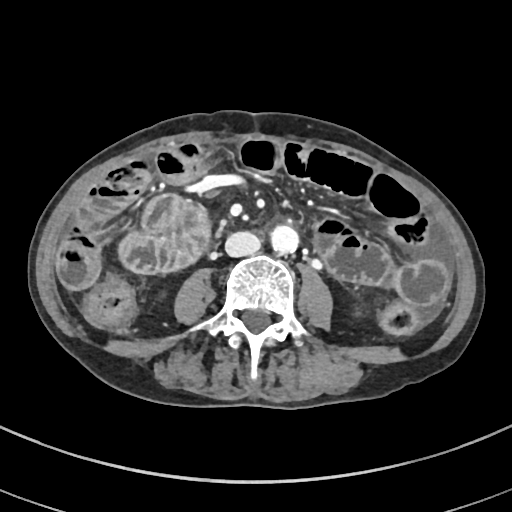
Abdominal CT. axial view. W/L 400/40 HU. 512x512 px
Boxes: x1 y1 x2 y2 (pixel coords, space-separated).
Organ bounding boxes:
- aorta: 270 225 298 253
- inferior vena cava: 225 231 260 256